Computed tomography, abdomen · axial view · Aquilion ONE scanner
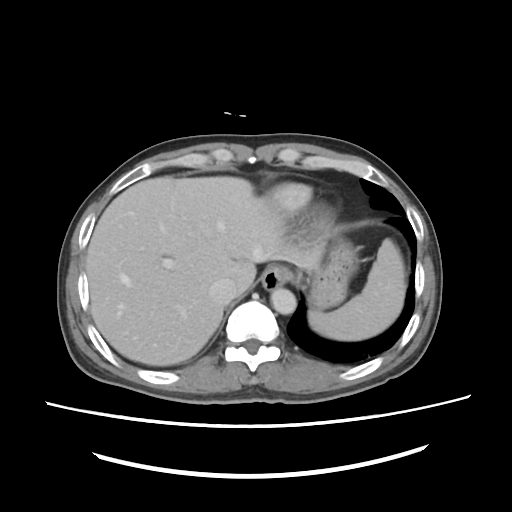

<organs><organ name="spleen" x1="309" y1="240" x2="406" y2="341"/><organ name="esophagus" x1="261" y1="265" x2="292" y2="289"/><organ name="liver" x1="86" y1="176" x2="319" y2="365"/><organ name="stomach" x1="301" y1="238" x2="358" y2="310"/><organ name="aorta" x1="270" y1="288" x2="296" y2="314"/><organ name="inferior vena cava" x1="209" y1="278" x2="235" y2="304"/></organs>